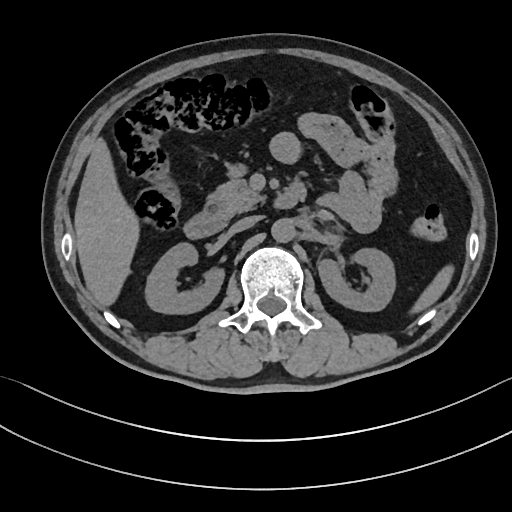 Abdominal CT. axial plane, index 154. abdomen soft-tissue window. 512x512 px
<organs><organ name="left kidney" x1="318" y1="248" x2="395" y2="311"/><organ name="inferior vena cava" x1="229" y1="215" x2="260" y2="233"/><organ name="liver" x1="74" y1="138" x2="139" y2="305"/><organ name="spleen" x1="411" y1="265" x2="453" y2="313"/><organ name="pancreas" x1="206" y1="164" x2="265" y2="217"/><organ name="duodenum" x1="184" y1="182" x2="305" y2="238"/><organ name="aorta" x1="271" y1="218" x2="295" y2="242"/><organ name="right kidney" x1="145" y1="242" x2="224" y2="313"/></organs>